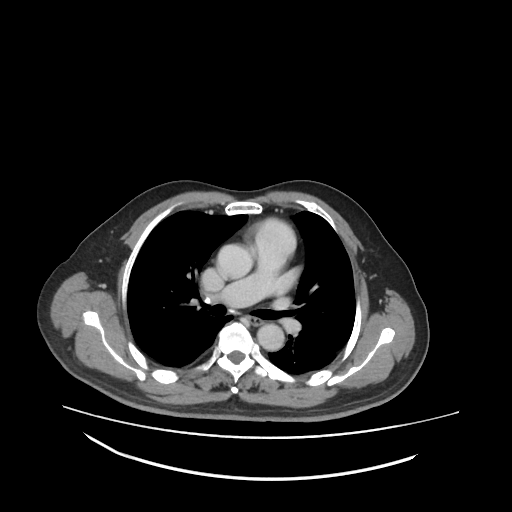 Chest-level slice from an abdominal CT that extends up into the chest. axial view. soft-tissue window (W 400 / L 40). 512x512 px
At this level of the chest this dataset labels only the esophagus and the aorta, and each is boxed only where it is labeled; the heart and lungs are never labeled. Each box given as x1,y1,x2,y2. 2 labeled organs on this slice — aorta at x1=257, y1=324, x2=283, y2=350; esophagus at x1=244, y1=315, x2=263, y2=325.